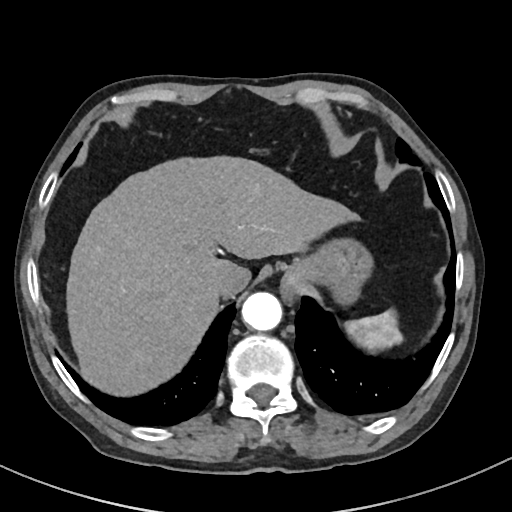
Abdominal CT · Axial slice 195/303
Boxes: x1 y1 x2 y2 (pixel coords, space-separated).
Organ bounding boxes:
- spleen: 345 309 402 352
- esophagus: 282 274 302 298
- liver: 66 155 355 396
- stomach: 284 237 373 305
- aorta: 242 292 282 330
- inferior vena cava: 210 278 226 296